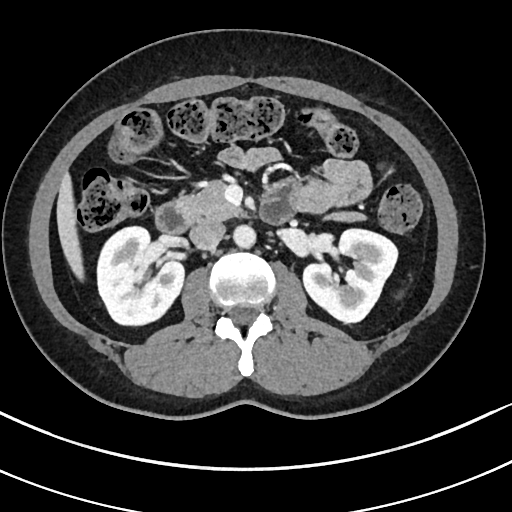 Abdominal CT. axial view. acquired on SOMATOM Force
<organs><organ name="aorta" x1="233" y1="224" x2="255" y2="247"/><organ name="inferior vena cava" x1="190" y1="222" x2="225" y2="250"/><organ name="left kidney" x1="303" y1="228" x2="398" y2="323"/><organ name="duodenum" x1="155" y1="192" x2="294" y2="232"/><organ name="liver" x1="57" y1="171" x2="83" y2="279"/><organ name="right kidney" x1="96" y1="225" x2="183" y2="323"/><organ name="pancreas" x1="175" y1="184" x2="366" y2="220"/></organs>